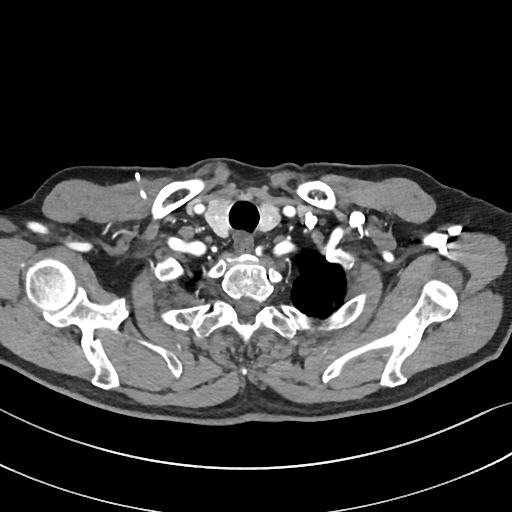 Abdominal CT reaching into the chest; this slice is in the chest — Axial slice 300/306 — soft-tissue window, W/L 400/40
On a slice this high in the chest, this dataset labels only the esophagus and the aorta, and each is boxed only where it is labeled; the heart, lungs and other chest structures are not labeled.
One row per box, in pixels: columns x1 and y1 give the top-left corner, x2 and y2 the bottom-right.
| organ | x1 | y1 | x2 | y2 |
|---|---|---|---|---|
| esophagus | 235 | 236 | 253 | 253 |